CT abdomen; axial view; W/L 400/40 HU; Aquilion ONE scanner
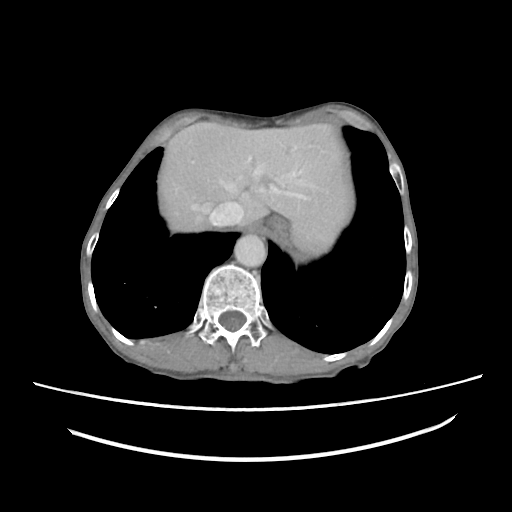 Coordinates as <box>x1,y1,x2,y2</box> in pixels.
Organ bounding boxes:
- esophagus: <box>265,214,288,230</box>
- liver: <box>158,122,352,255</box>
- stomach: <box>274,229,308,257</box>
- aorta: <box>234,234,266,267</box>
- inferior vena cava: <box>208,201,243,226</box>